MRI, abdomen; axial plane, index 39; 1st–99th percentile window
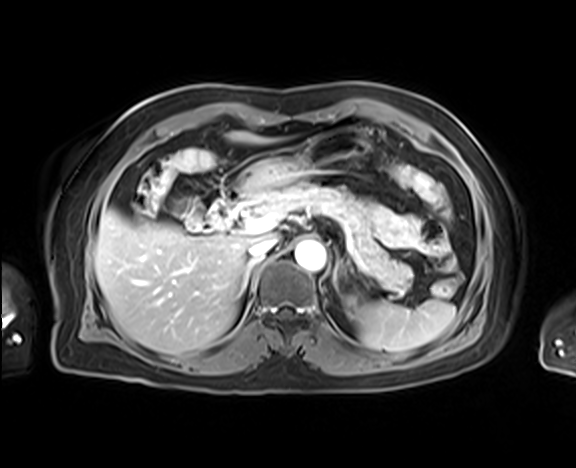

Each box given as x1,y1,x2,y2.
spleen: x1=358, y1=299, x2=455, y2=351
left kidney: x1=346, y1=296, x2=359, y2=315
gall bladder: x1=174, y1=196, x2=202, y2=216
liver: x1=94, y1=131, x2=296, y2=354
stomach: x1=235, y1=129, x2=367, y2=199
aorta: x1=295, y1=241, x2=326, y2=271
inferior vena cava: x1=248, y1=238, x2=276, y2=260
pancreas: x1=247, y1=185, x2=413, y2=292
right adrenal gland: x1=238, y1=259, x2=256, y2=297
left adrenal gland: x1=332, y1=246, x2=347, y2=291
duodenum: x1=209, y1=185, x2=250, y2=230